Computed tomography, abdomen; axial plane, index 187; 512x512 px; acquired on SOMATOM Force
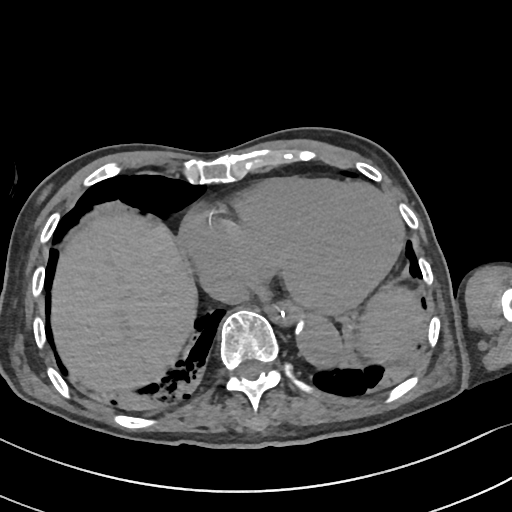 Bounding boxes as [x1, y1, x2, y2] in pixel coordinates.
spleen: [358, 287, 422, 364]
liver: [49, 207, 198, 394]
inferior vena cava: [207, 272, 250, 304]
esophagus: [265, 299, 301, 322]
aorta: [294, 316, 340, 364]